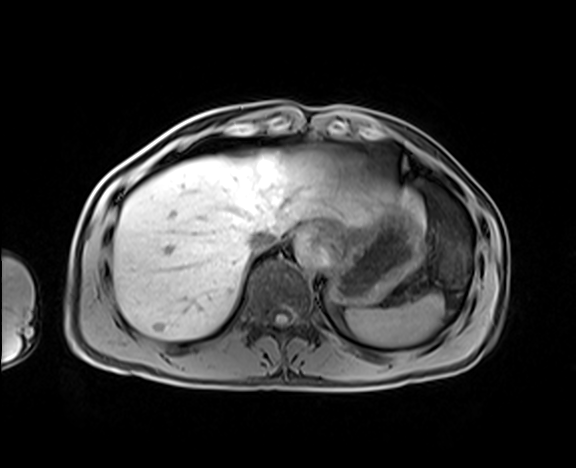

MRI, abdomen — axial view — percentile-normalized
Each box given as x1,y1,x2,y2. 6 labeled organs on this slice — spleen at x1=345, y1=293, x2=444, y2=346; esophagus at x1=305, y1=225, x2=325, y2=237; liver at x1=112, y1=151, x2=428, y2=339; stomach at x1=324, y1=204, x2=423, y2=306; aorta at x1=294, y1=234, x2=329, y2=267; inferior vena cava at x1=248, y1=229, x2=278, y2=251.